CT abdomen · Axial slice 137/232
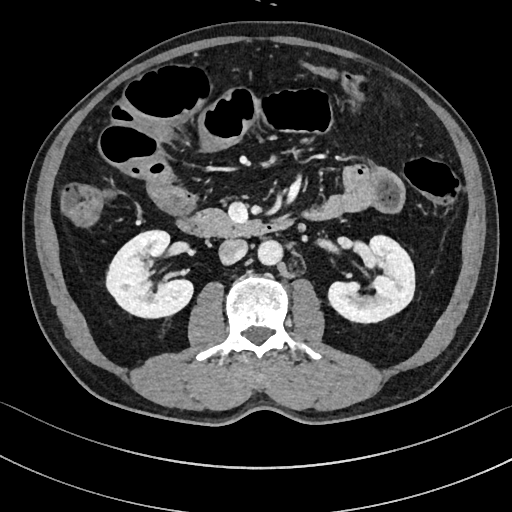 {"organs":{"aorta":[257,239,282,264],"left kidney":[328,235,415,322],"pancreas":[198,210,230,226],"right kidney":[106,230,193,317],"duodenum":[177,217,292,237],"inferior vena cava":[220,238,247,265]}}